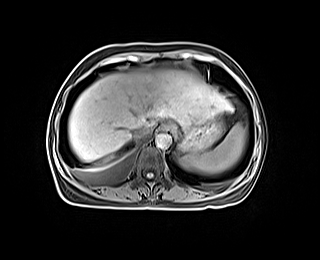
Abdominal MR. axial view. 320x260 px
Boxes are (x1, y1, x2, y2) in pixels.
Organ bounding boxes:
- spleen: (179, 123, 246, 173)
- esophagus: (161, 124, 172, 130)
- liver: (68, 71, 233, 161)
- stomach: (172, 116, 224, 153)
- aorta: (155, 133, 171, 148)
- inferior vena cava: (131, 126, 150, 138)